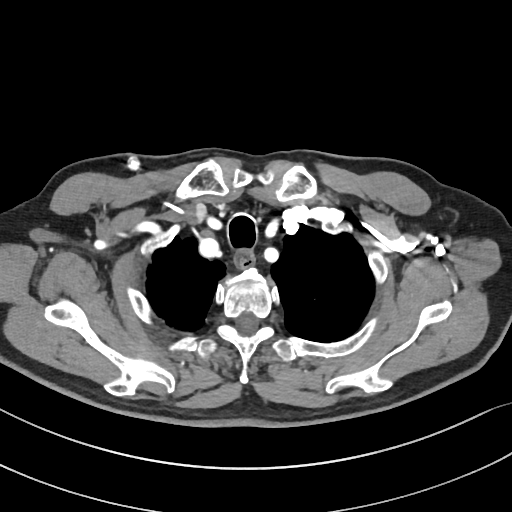
Abdominal CT reaching into the chest; this slice is in the chest · axial view · W/L 400/40 HU
On a slice this high in the chest, this dataset labels only the esophagus and the aorta, and each is boxed only where it is labeled; the heart, lungs and other chest structures are not labeled.
One row per box, in pixels: columns x1 and y1 give the top-left corner, x2 and y2 the bottom-right.
| organ | x1 | y1 | x2 | y2 |
|---|---|---|---|---|
| esophagus | 236 | 251 | 254 | 268 |